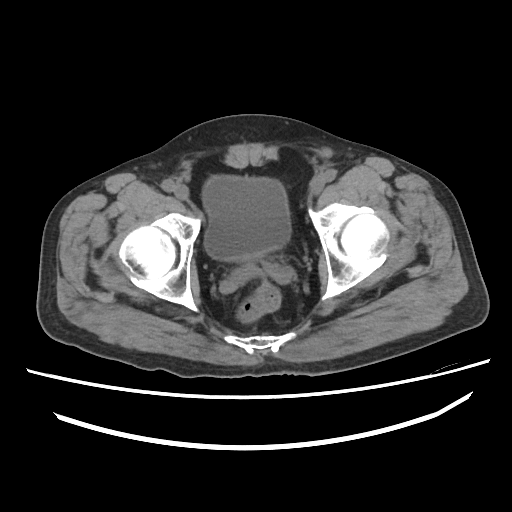

CT, abdomen/pelvis. axial view. abdomen soft-tissue window. 48-year-old male patient
Bounding boxes as [x1, y1, x2, y2] in pixel coordinates.
Organ bounding boxes:
- bladder: [202, 175, 291, 260]